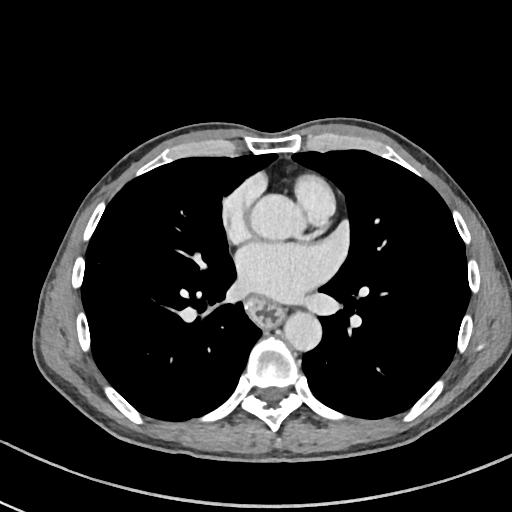
CT of the abdomen extending into the chest, slice through the chest. axial view. 512x512 px. SOMATOM Force scanner
On a slice this high in the chest, this dataset labels only the esophagus and the aorta, and each is boxed only where it is labeled; the heart, lungs and other chest structures are not labeled.
Boxes: x1:y1:x2:y2 in pixels.
Organ bounding boxes:
- esophagus: 248:298:280:326
- aorta: 250:194:300:240
- aorta: 283:312:321:351